Lower-chest slice from an abdominal CT, just above the liver and spleen. Axial slice 87/124. soft-tissue window, W/L 400/40. 73-year-old female patient. Aquilion ONE scanner
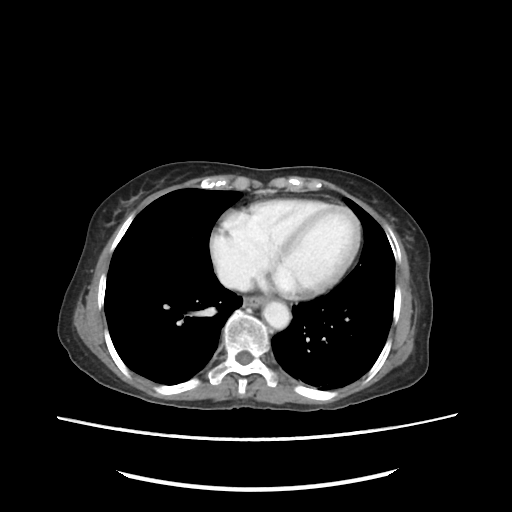
Of the structures in the chest, this dataset labels only the esophagus, the aorta and the inferior vena cava; the heart and lungs have no label.
{"organs":{"esophagus":[241,296,265,308],"aorta":[262,301,290,329],"inferior vena cava":[216,263,250,291]}}